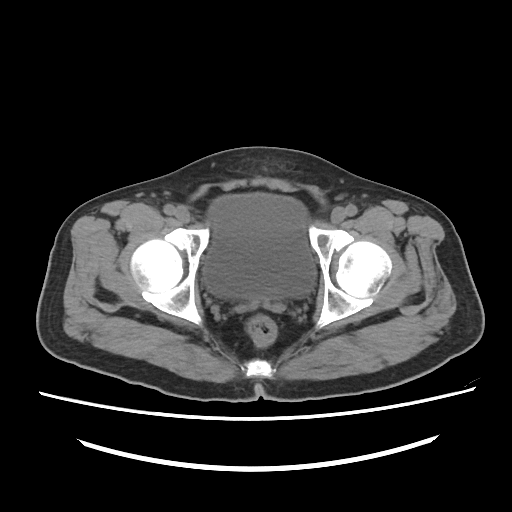

Abdominal CT. axial view. 512x512 px. 49-year-old male patient
{"organs":{"bladder":[203,193,315,298]}}